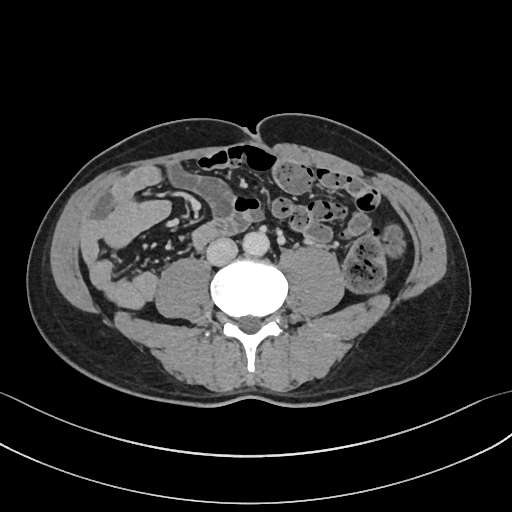

Computed tomography, abdomen; Axial slice 116/230; soft-tissue window (W 400 / L 40); 512x512 px
<organs><organ name="aorta" x1="243" y1="231" x2="269" y2="256"/><organ name="inferior vena cava" x1="206" y1="238" x2="237" y2="266"/></organs>